Computed tomography, abdomen; axial view; W/L 400/40 HU; 65-year-old male patient; acquired on Aquilion ONE; 15 organs annotated in this scan (that count is for the whole scan; organs this slice misses have no box)
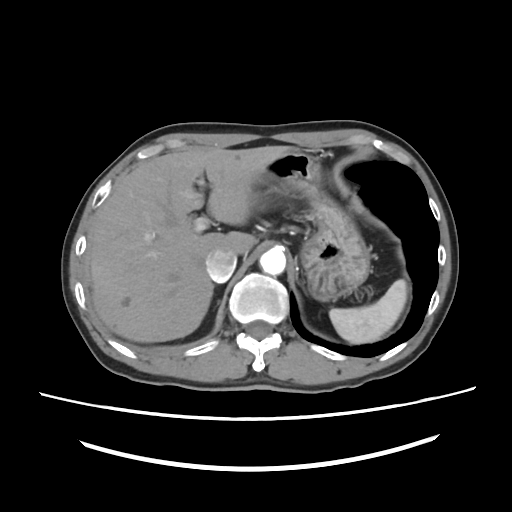 Boxes are (x1, y1, x2, y2) in pixels.
stomach: (256, 149, 369, 300)
inferior vena cava: (205, 249, 236, 281)
aorta: (259, 248, 285, 275)
liver: (90, 145, 291, 342)
spleen: (329, 279, 407, 343)